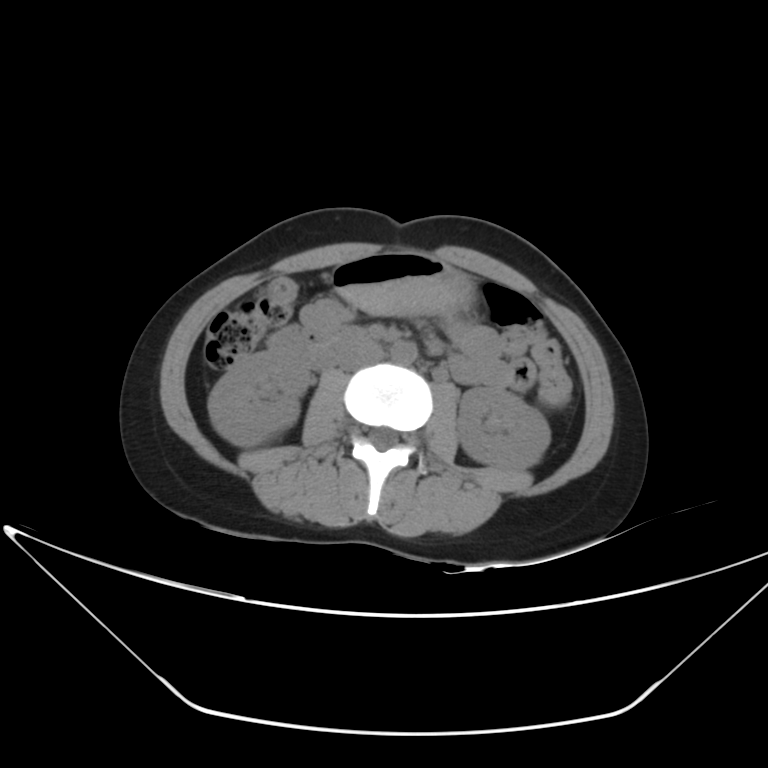

CT, abdomen/pelvis — axial view — W/L 400/40 HU — scan has 15 labeled organs (that count is for the whole scan; organs this slice misses have no box)
Each box given as x1,y1,x2,y2.
duodenum: x1=269, y1=325, x2=368, y2=368
left kidney: x1=457, y1=386, x2=550, y2=469
aorta: x1=391, y1=342, x2=416, y2=364
stomach: x1=330, y1=250, x2=475, y2=314
right kidney: x1=208, y1=348, x2=310, y2=446
inferior vena cava: x1=337, y1=342, x2=384, y2=370